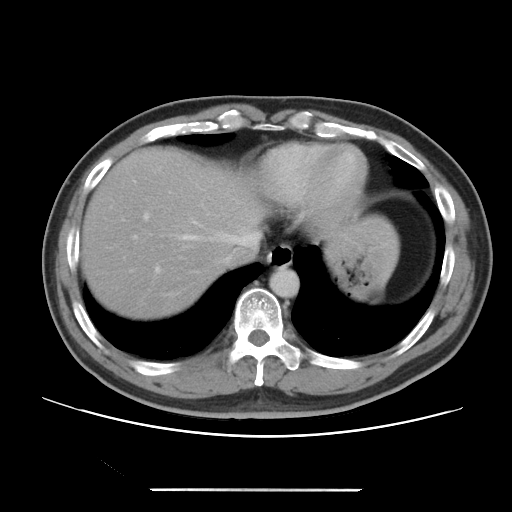
CT abdomen. axial view. 512x512 px
Boxes: x1 y1 x2 y2 (pixel coords, space-separated).
Organ bounding boxes:
- stomach: 330 250 381 299
- esophagus: 267 243 293 268
- liver: 81 147 399 319
- aorta: 269 267 299 297
- inferior vena cava: 222 233 261 268